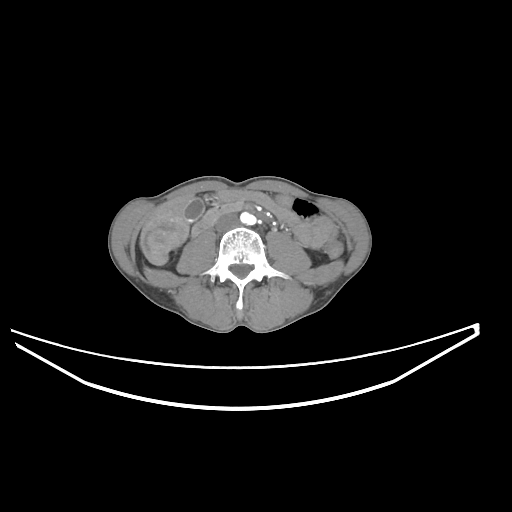

Computed tomography, abdomen · Axial slice 50/131 · 512x512 px · 60-year-old male patient
One row per box, in pixels: columns x1 and y1 give the top-left corner, x2 and y2 the bottom-right.
| organ | x1 | y1 | x2 | y2 |
|---|---|---|---|---|
| liver | 140 | 197 | 192 | 264 |
| duodenum | 193 | 201 | 243 | 234 |
| gall bladder | 185 | 198 | 204 | 221 |
| aorta | 240 | 212 | 255 | 224 |
| inferior vena cava | 216 | 215 | 237 | 231 |